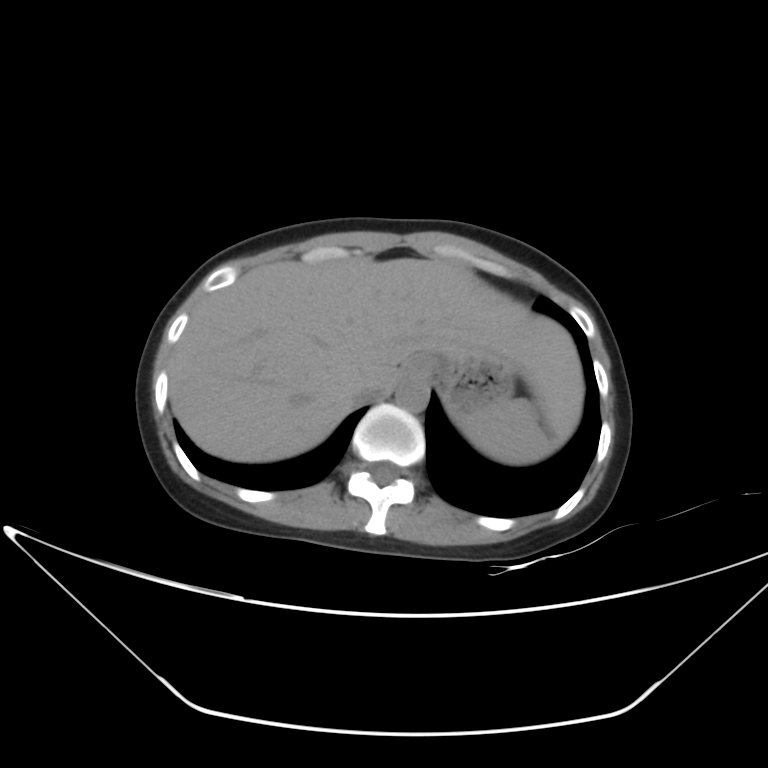

Abdominal CT; axial view; 768x768 px; scan has 15 labeled organs (counted over the whole 3D scan, not this slice; an organ is boxed only where this slice passes through it)
Organ boxes in pixel coordinates; each row gives the top-left (x1, y1) and bottom-right (x2, y2) corners.
| organ | x1 | y1 | x2 | y2 |
|---|---|---|---|---|
| liver | 169 | 258 | 584 | 462 |
| stomach | 406 | 354 | 514 | 414 |
| aorta | 395 | 377 | 428 | 411 |
| esophagus | 406 | 351 | 428 | 378 |
| inferior vena cava | 353 | 384 | 381 | 401 |
| spleen | 457 | 399 | 553 | 465 |